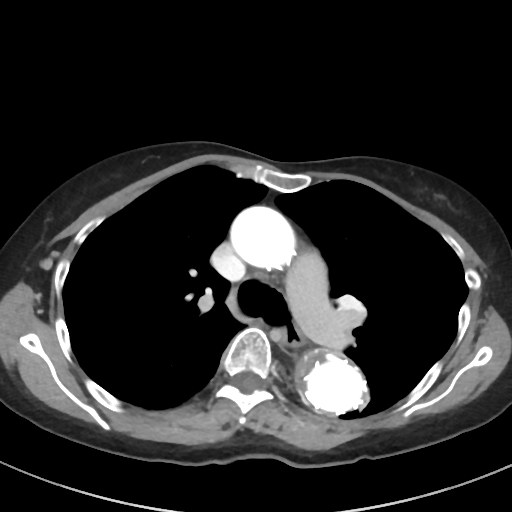 Chest-level slice from an abdominal CT that extends up into the chest · axial view · scan has 15 labeled organs (that count is for the whole scan; organs this slice misses have no box)
At this level of the chest this dataset labels only the esophagus and the aorta, and each is boxed only where it is labeled; the heart and lungs are never labeled.
Organ boxes in pixel coordinates; each row gives the top-left (x1, y1) and bottom-right (x2, y2) corners.
| organ | x1 | y1 | x2 | y2 |
|---|---|---|---|---|
| esophagus | 281 | 325 | 303 | 347 |
| aorta | 295 | 346 | 367 | 416 |
| aorta | 230 | 206 | 295 | 269 |